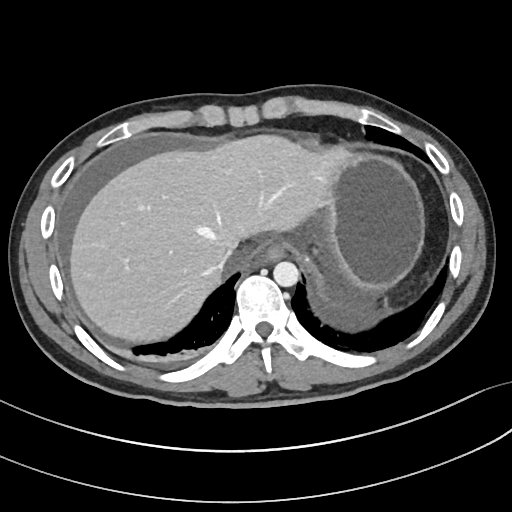 CT, abdomen/pelvis — axial view — soft-tissue window — 512x512 px
Box edges are left/top/right/bottom in pixels. Labeled organs on this slice: esophagus at left=256, top=243, right=286, bottom=264, liver at left=68, top=133, right=343, bottom=341, stomach at left=323, top=149, right=425, bottom=294, aorta at left=273, top=261, right=298, bottom=286, inferior vena cava at left=222, top=250, right=232, bottom=267.